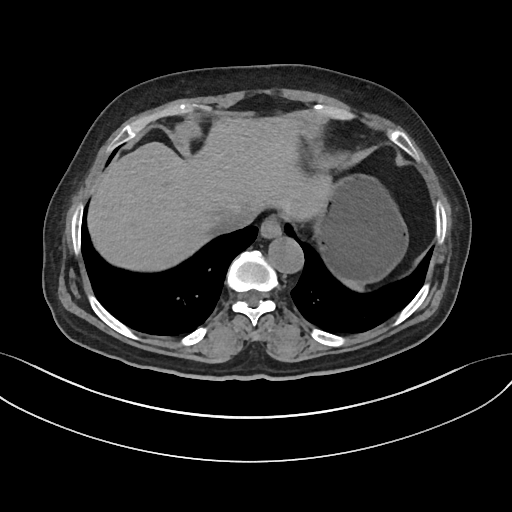

CT, abdomen/pelvis; axial view; 512x512 px; scan has 15 labeled organs (counted over the whole 3D scan, not this slice; an organ is boxed only where this slice passes through it)
Boxes: x1:y1:x2:y2 in pixels.
spleen: 343:281:364:291
esophagus: 260:219:280:236
liver: 86:116:332:269
stomach: 314:176:408:283
aorta: 267:236:302:272
inferior vena cava: 217:209:251:233